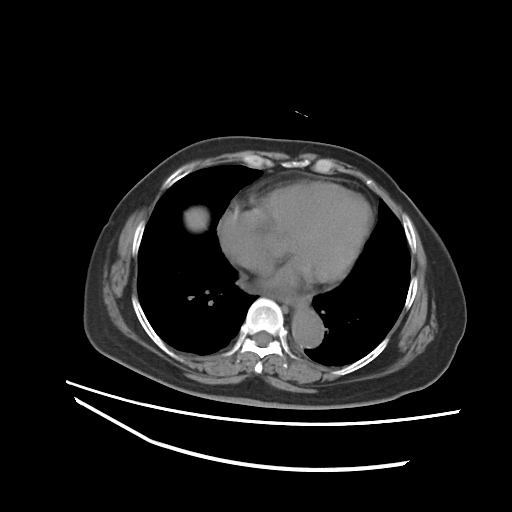
Computed tomography, abdomen; axial view; soft-tissue window
Box edges are left/top/right/bottom in pixels.
Organ bounding boxes:
- esophagus: left=268, top=288, right=310, bottom=310
- liver: left=184, top=207, right=208, bottom=231
- aorta: left=292, top=310, right=323, bottom=347
- inferior vena cava: left=240, top=253, right=257, bottom=268